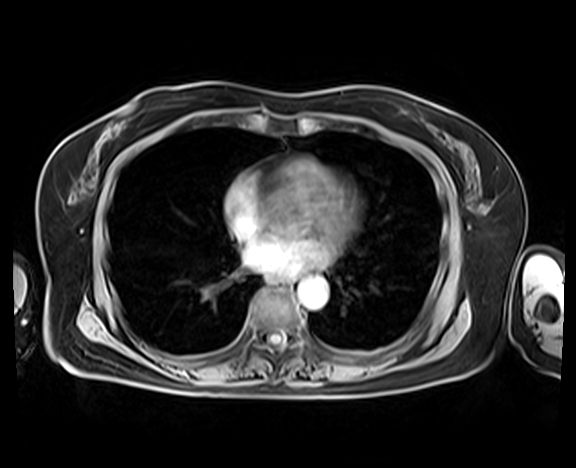 Abdominal MRI; this slice is in the lower chest, just above the liver — axial view — 1st–99th percentile window — Prisma scanner
Of the structures in the chest, this dataset labels only the esophagus, the aorta and the inferior vena cava; the heart and lungs have no label. Bounding boxes as [x1, y1, x2, y2] in pixel coordinates. Labeled organs on this slice: aorta at [298, 276, 328, 309], esophagus at [280, 281, 286, 285].